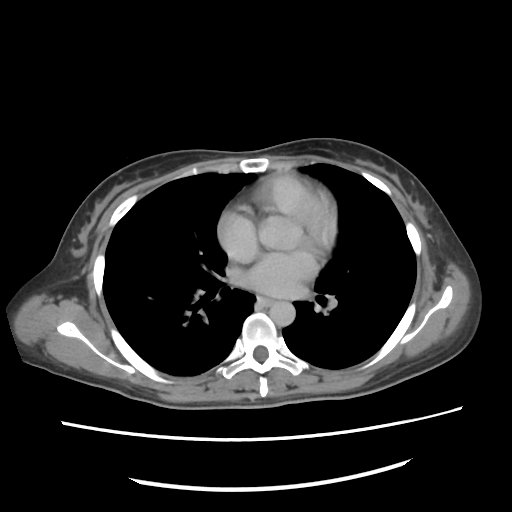 Lower-chest slice from an abdominal CT, just above the liver and spleen · axial view · 39-year-old female patient
Of the structures in the chest, this dataset labels only the esophagus, the aorta and the inferior vena cava; the heart and lungs have no label.
Bounding boxes in pixels, one row per box: x1, y1 is the top-left corner and x2, y2 the bottom-right.
| organ | x1 | y1 | x2 | y2 |
|---|---|---|---|---|
| esophagus | 257 | 295 | 273 | 305 |
| aorta | 268 | 300 | 294 | 325 |